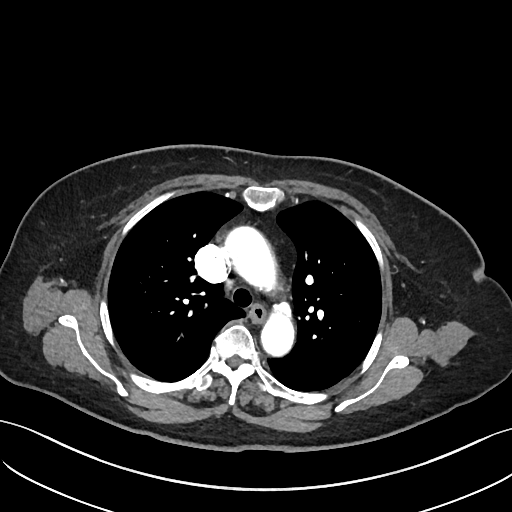
Chest-level CT slice, above the liver and spleen · axial view · W/L 400/40 HU
At this level of the chest no structure but the esophagus and the aorta has a label in this dataset, and those two are boxed only where they are labeled.
Bounding boxes as [x1, y1, x2, y2] in pixel coordinates.
Organ bounding boxes:
- aorta: [225, 225, 277, 292]
- aorta: [261, 301, 295, 355]
- esophagus: [249, 303, 265, 322]